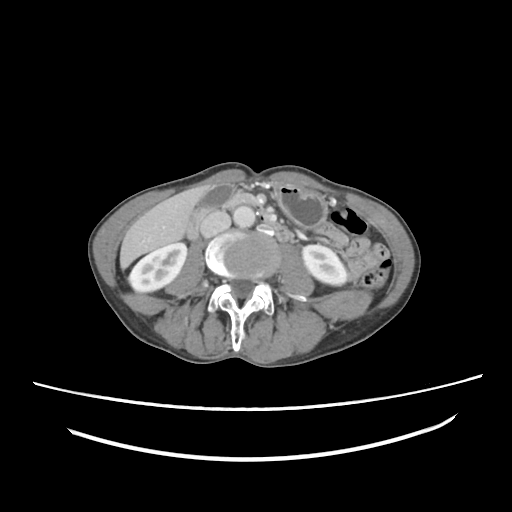

CT, abdomen/pelvis; Axial slice 46/79; 59-year-old male patient
{"organs":{"left kidney":[302,245,347,285],"duodenum":[188,192,288,243],"right kidney":[129,242,186,292],"gall bladder":[201,185,232,207],"inferior vena cava":[200,211,230,237],"aorta":[233,205,255,227],"stomach":[274,185,327,227],"pancreas":[221,193,255,210],"liver":[120,184,209,268]}}